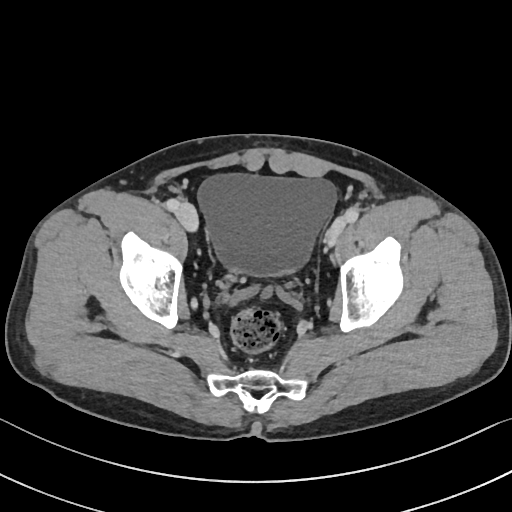
CT, abdomen/pelvis — axial view — 512x512 px
Boxes are (x1, y1, x2, y2) in pixels.
bladder: (198, 175, 336, 276)